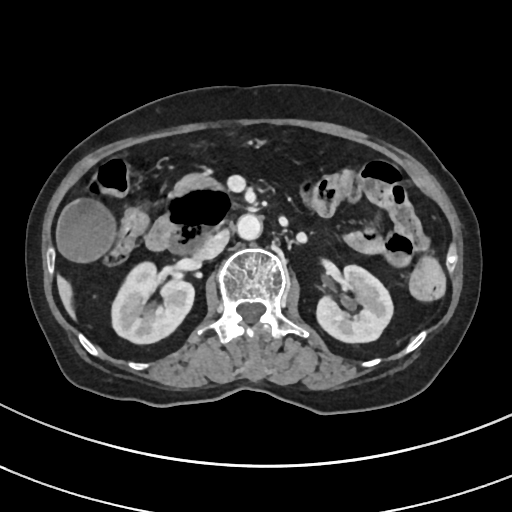

Computed tomography, abdomen. axial view. 512x512 px
{"organs":{"left kidney":[315,265,392,343],"gall bladder":[56,198,116,261],"duodenum":[145,189,234,252],"inferior vena cava":[194,230,229,260],"liver":[56,274,76,321],"right kidney":[112,263,194,343],"pancreas":[174,175,220,196],"aorta":[237,214,262,240]}}